Abdominal CT — Axial slice 195/251 — soft-tissue window (W 400 / L 40)
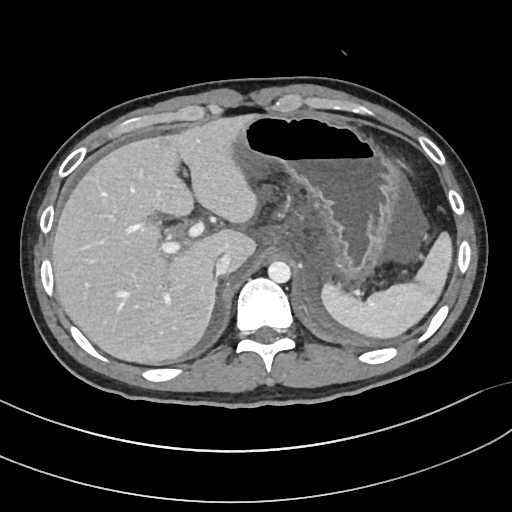 Boxes are (x1, y1, x2, y2) in pixels.
aorta: (268, 261, 290, 283)
stomach: (234, 115, 406, 281)
spleen: (321, 232, 452, 338)
liver: (52, 115, 257, 364)
inferior vena cava: (215, 253, 230, 275)
right adrenal gland: (208, 282, 220, 321)